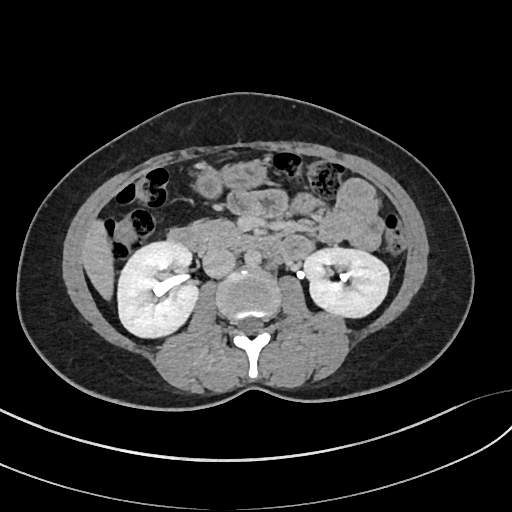 CT abdomen — axial plane, index 137 — soft-tissue window (W 400 / L 40) — scan has 15 labeled organs (a whole-scan count: organs this slice does not pass through have no box)
<organs><organ name="inferior vena cava" x1="202" y1="248" x2="235" y2="278"/><organ name="stomach" x1="195" y1="161" x2="264" y2="198"/><organ name="aorta" x1="245" y1="249" x2="261" y2="267"/><organ name="right kidney" x1="118" y1="242" x2="199" y2="339"/><organ name="duodenum" x1="166" y1="227" x2="286" y2="261"/><organ name="left kidney" x1="302" y1="248" x2="389" y2="318"/><organ name="pancreas" x1="190" y1="219" x2="240" y2="248"/><organ name="liver" x1="81" y1="220" x2="112" y2="302"/></organs>